CT abdomen · axial view · soft-tissue window
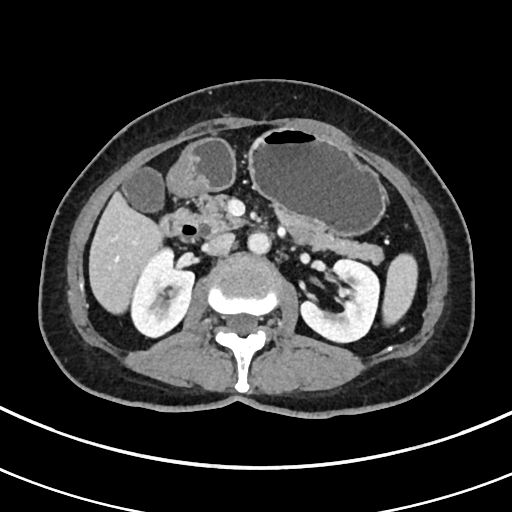 {"organs":{"spleen":[383,253,416,324],"right kidney":[133,248,193,337],"left kidney":[300,260,378,342],"gall bladder":[123,167,165,213],"liver":[89,189,165,312],"stomach":[165,128,386,237],"aorta":[247,233,270,255],"inferior vena cava":[202,234,233,255],"pancreas":[197,194,384,265],"duodenum":[160,210,199,241]}}